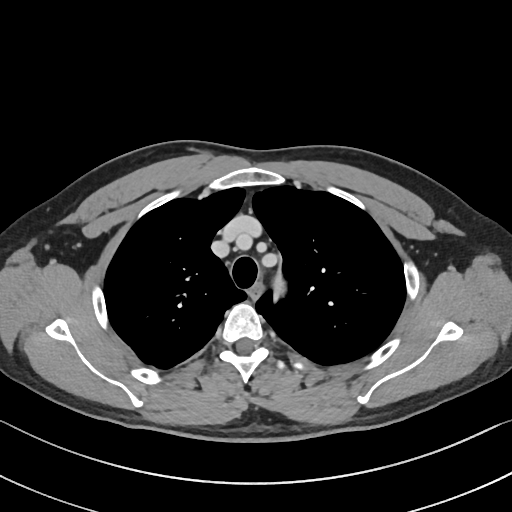
CT of the abdomen extending into the chest, slice through the chest. axial view. soft-tissue window, W/L 400/40. 512x512 px. SOMATOM Force scanner
At this level of the chest this dataset labels only the esophagus and the aorta, and each is boxed only where it is labeled; the heart and lungs are never labeled.
<organs><organ name="esophagus" x1="251" y1="283" x2="262" y2="299"/></organs>